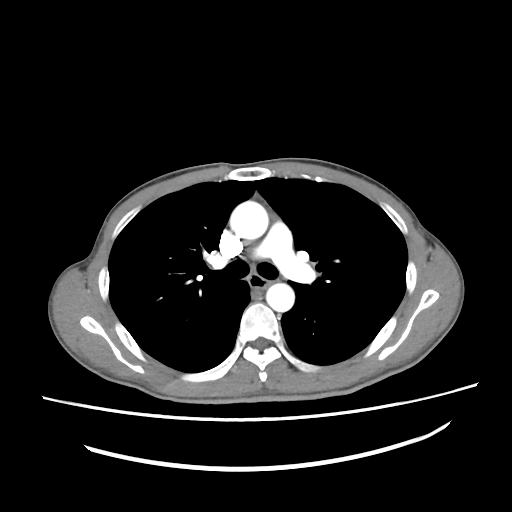

Abdominal CT reaching into the chest; this slice is in the chest. axial view. acquired on Aquilion ONE
On a slice this high in the chest, this dataset labels only the esophagus and the aorta, and each is boxed only where it is labeled; the heart, lungs and other chest structures are not labeled.
Box edges are left/top/right/bottom in pixels.
esophagus: left=248, top=274, right=270, bottom=293
aorta: left=230, top=201, right=268, bottom=239
aorta: left=266, top=283, right=294, bottom=311